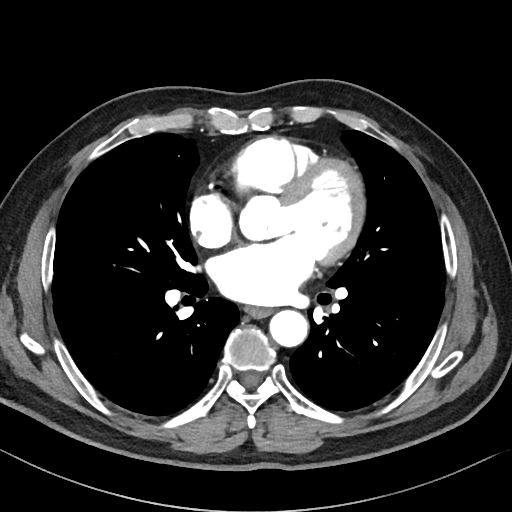

Abdominal CT; this slice is in the lower chest, just above the liver. axial view. soft-tissue window. 512x512 px
No part of the heart or lungs is labeled in this dataset, so neither has a box here.
Bounding boxes in pixels, one row per box: x1, y1 is the top-left corner and x2, y2 the bottom-right.
| organ | x1 | y1 | x2 | y2 |
|---|---|---|---|---|
| esophagus | 245 | 306 | 272 | 318 |
| aorta | 269 | 310 | 307 | 347 |